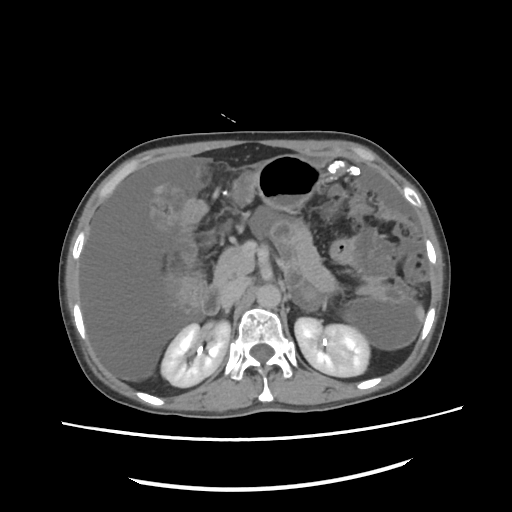
Abdominal CT; Axial slice 81/112; 512x512 px; Aquilion ONE scanner
One row per box, in pixels: columns x1 and y1 give the top-left corner, x2 and y2 the bottom-right.
| organ | x1 | y1 | x2 | y2 |
|---|---|---|---|---|
| left kidney | 295 | 317 | 369 | 375 |
| duodenum | 201 | 263 | 303 | 316 |
| inferior vena cava | 220 | 279 | 246 | 308 |
| pancreas | 212 | 244 | 252 | 286 |
| stomach | 253 | 154 | 320 | 212 |
| right kidney | 161 | 321 | 229 | 387 |
| aorta | 255 | 284 | 281 | 310 |